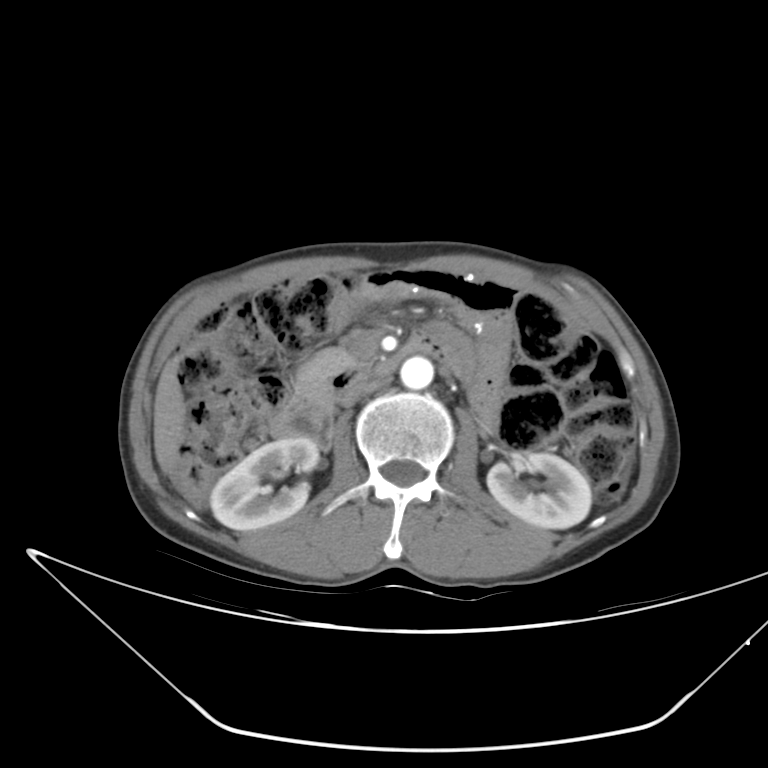
Computed tomography, abdomen · axial view · abdomen soft-tissue window · 62-year-old male patient
Coordinates as <box>x1,y1,x2,y2</box> in pixels.
right kidney: <box>210,439,319,530</box>
left kidney: <box>487,451,591,528</box>
liver: <box>154,359,186,474</box>
aorta: <box>400,356,433,389</box>
inferior vena cava: <box>340,377,388,407</box>
pancreas: <box>297,348,361,394</box>
duodenum: <box>269,339,432,446</box>